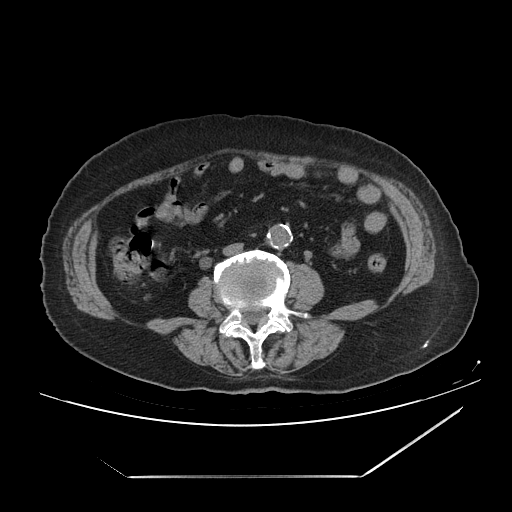
Abdominal CT — axial view
Box edges are left/top/right/bottom in pixels.
aorta: left=267, top=224, right=292, bottom=249
inferior vena cava: left=222, top=243, right=243, bottom=255